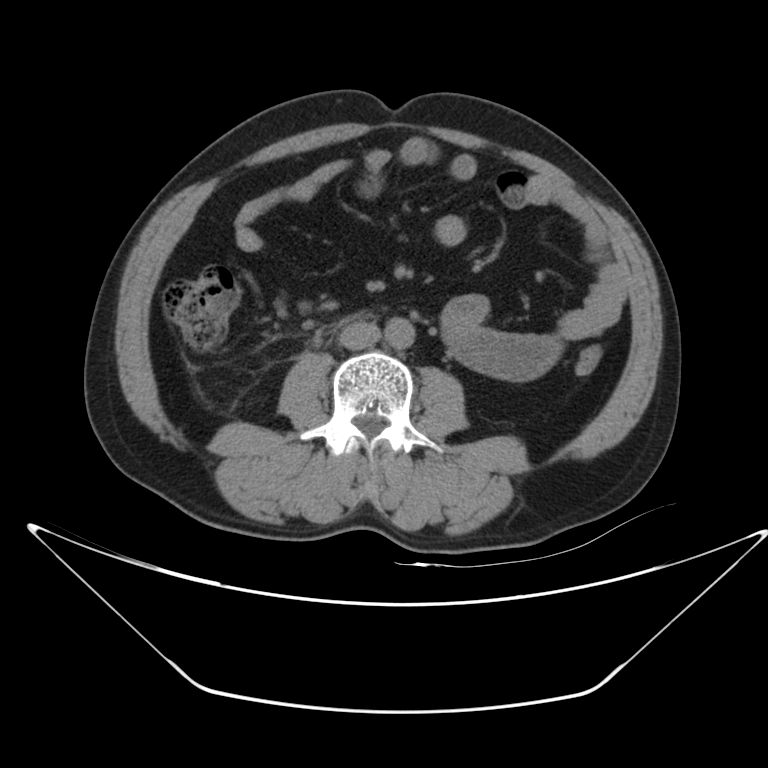

CT, abdomen/pelvis; axial view; soft-tissue window
Organ boxes in pixel coordinates; each row gives the top-left (x1, y1) and bottom-right (x2, y2) corners.
| organ | x1 | y1 | x2 | y2 |
|---|---|---|---|---|
| aorta | 384 | 317 | 415 | 348 |
| inferior vena cava | 339 | 321 | 380 | 350 |